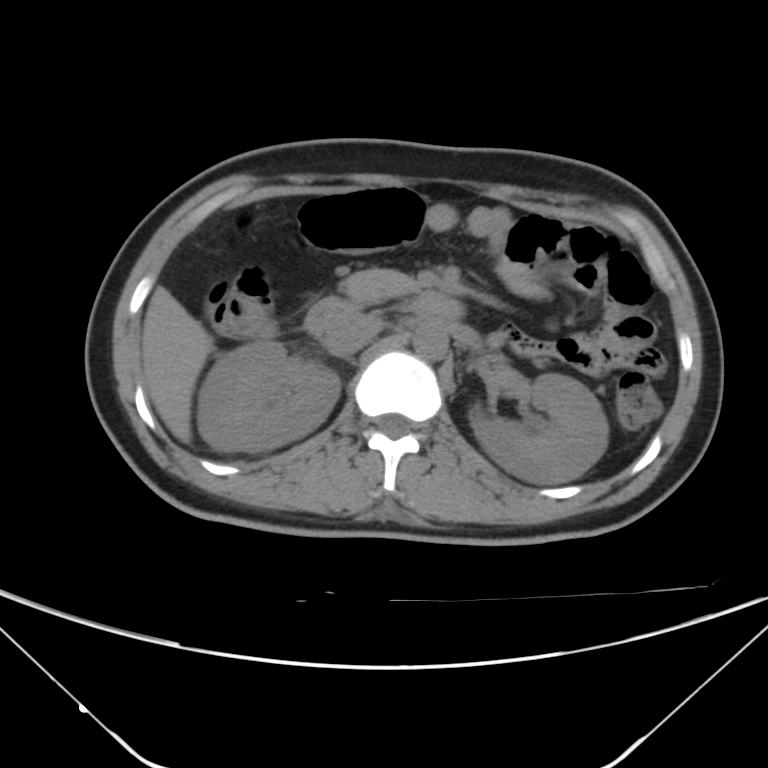

Computed tomography, abdomen. axial plane, index 63. scan has 15 labeled organs (a whole-scan count: organs this slice does not pass through have no box)
Coordinates as <box>x1,y1,x2,y2</box> in pixels.
Organ bounding boxes:
- right kidney: <box>197,338,341,451</box>
- left kidney: <box>469,373,608,484</box>
- liver: <box>142,286,212,443</box>
- aorta: <box>413,325,448,360</box>
- inferior vena cava: <box>324,314,381,355</box>
- pancreas: <box>340,268,416,305</box>
- duodenum: <box>304,291,464,336</box>